Abdominal CT reaching into the chest; this slice is in the chest. axial plane, index 104. acquired on SOMATOM Force. scan has 15 labeled organs (a whole-scan count: organs this slice does not pass through have no box)
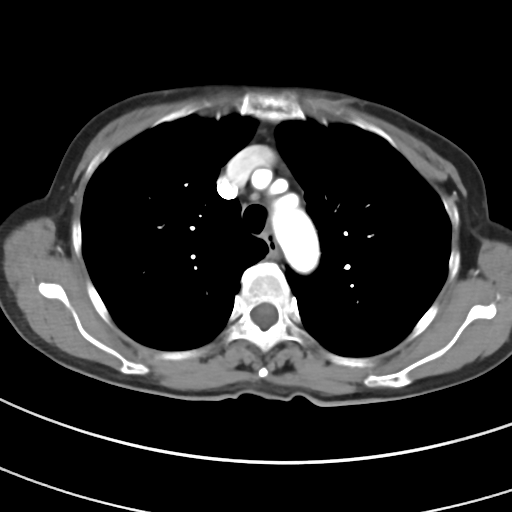

On a slice this high in the chest, this dataset labels only the esophagus and the aorta, and each is boxed only where it is labeled; the heart, lungs and other chest structures are not labeled.
Organ boxes in pixel coordinates; each row gives the top-left (x1, y1) and bottom-right (x2, y2) corners.
| organ | x1 | y1 | x2 | y2 |
|---|---|---|---|---|
| esophagus | 264 | 232 | 277 | 253 |
| aorta | 271 | 194 | 319 | 273 |